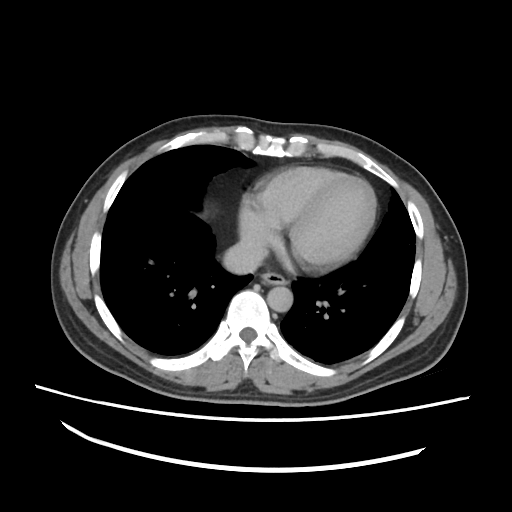

Lower-chest slice from an abdominal CT, just above the liver and spleen · axial view · 44-year-old male patient
Of the structures in the chest, this dataset labels only the esophagus, the aorta and the inferior vena cava; the heart and lungs have no label.
Box edges are left/top/right/bottom in pixels.
Organ bounding boxes:
- inferior vena cava: left=222, top=240, right=269, bottom=272
- esophagus: left=262, top=271, right=286, bottom=285
- aorta: left=268, top=286, right=292, bottom=312